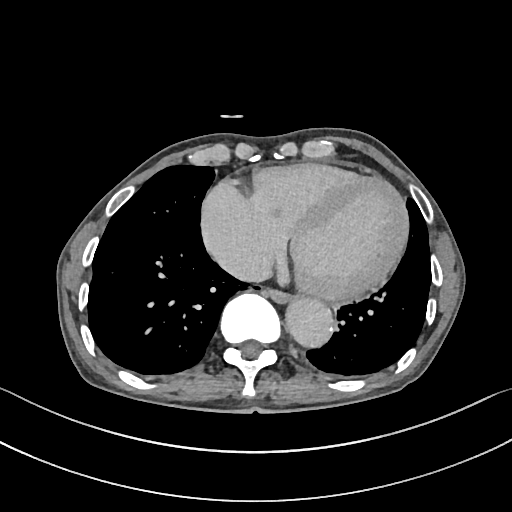
CT of the abdomen reaching into the lower chest, slice just above the liver and spleen; axial view; W/L 400/40 HU
The heart and lungs are never labeled in this dataset, so they have no box on this slice.
Each box given as x1,y1,x2,y2.
inferior vena cava: x1=220, y1=256, x2=271, y2=281
esophagus: x1=265, y1=288, x2=291, y2=303
aorta: x1=285, y1=297, x2=333, y2=348